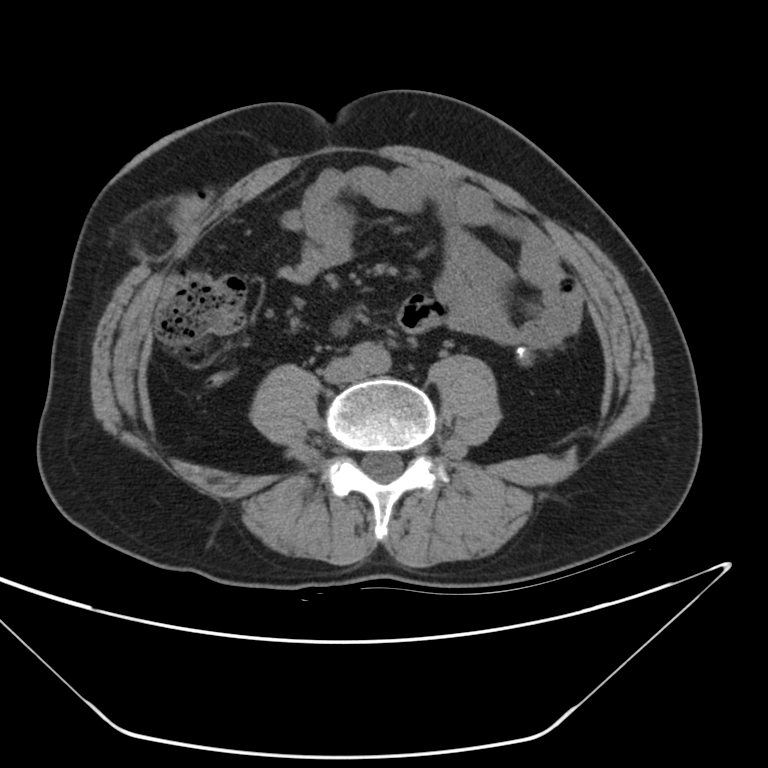 Abdominal CT — Axial slice 46/103 — 50-year-old male patient — scan has 14 labeled organs (that count is for the whole scan; organs this slice misses have no box)
Bounding boxes in pixels, one row per box: x1, y1 is the top-left corner and x2, y2 the bottom-right.
| organ | x1 | y1 | x2 | y2 |
|---|---|---|---|---|
| aorta | 352 | 342 | 390 | 372 |